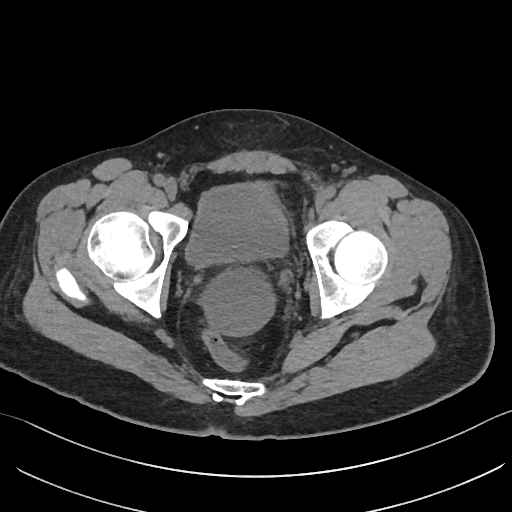 Computed tomography, abdomen; axial view; soft-tissue window
{"organs":{"bladder":[186,182,287,263]}}